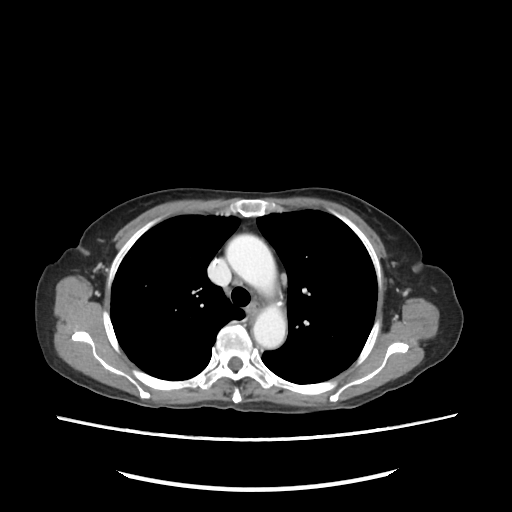 Chest-level CT slice, above the liver and spleen; axial view; soft-tissue window (W 400 / L 40); 512x512 px
At this level of the chest no structure but the esophagus and the aorta has a label in this dataset, and those two are boxed only where they are labeled.
Boxes: x1:y1:x2:y2 in pixels.
aorta: 223:231:277:297
aorta: 254:304:284:349